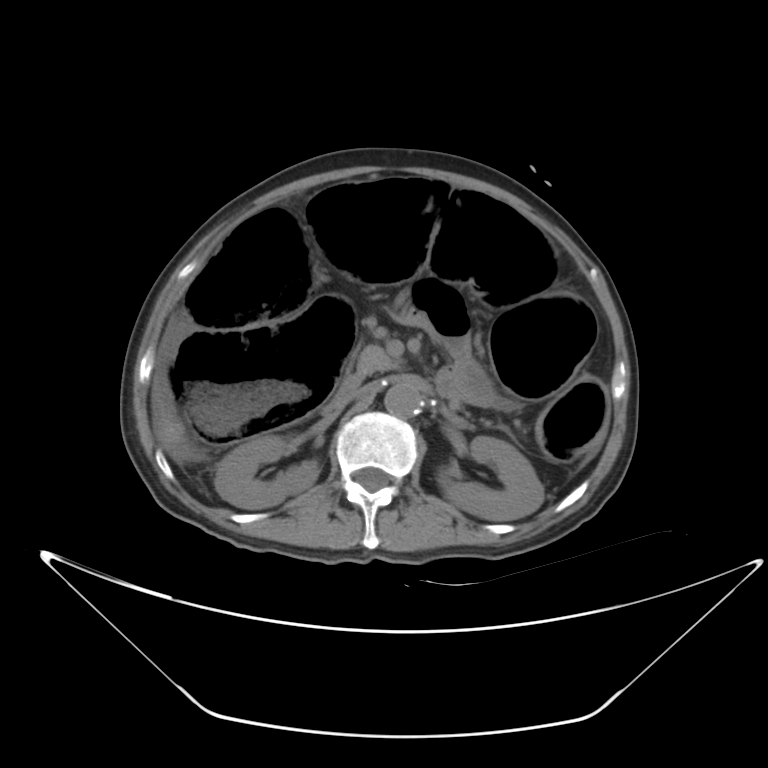
Abdominal CT — axial plane, index 58 — 64-year-old male patient — acquired on Brilliance16
One row per box, in pixels: columns x1 and y1 give the top-left corner, x2 and y2 the bottom-right.
| organ | x1 | y1 | x2 | y2 |
|---|---|---|---|---|
| liver | 152 | 377 | 186 | 450 |
| inferior vena cava | 328 | 387 | 362 | 410 |
| pancreas | 355 | 346 | 396 | 376 |
| aorta | 384 | 381 | 422 | 417 |
| right kidney | 215 | 435 | 319 | 508 |
| left kidney | 438 | 436 | 543 | 520 |
| duodenum | 338 | 373 | 363 | 391 |